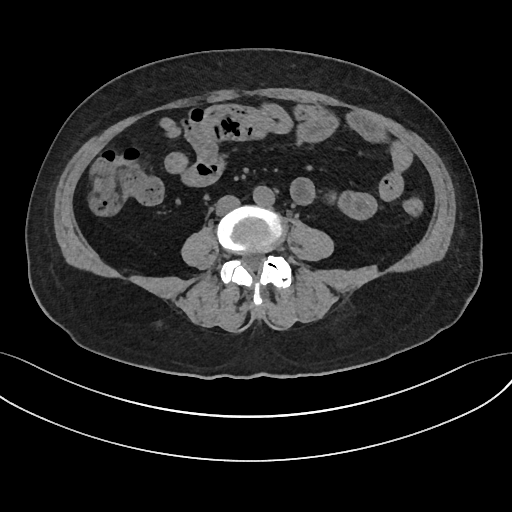

CT, abdomen/pelvis; Axial slice 95/207; 512x512 px
Boxes are (x1, y1, x2, y2) in pixels.
Organ bounding boxes:
- aorta: (253, 186, 275, 206)
- inferior vena cava: (216, 196, 239, 215)